CT, abdomen/pelvis — axial plane, index 72 — soft-tissue window (W 400 / L 40) — acquired on Brilliance16
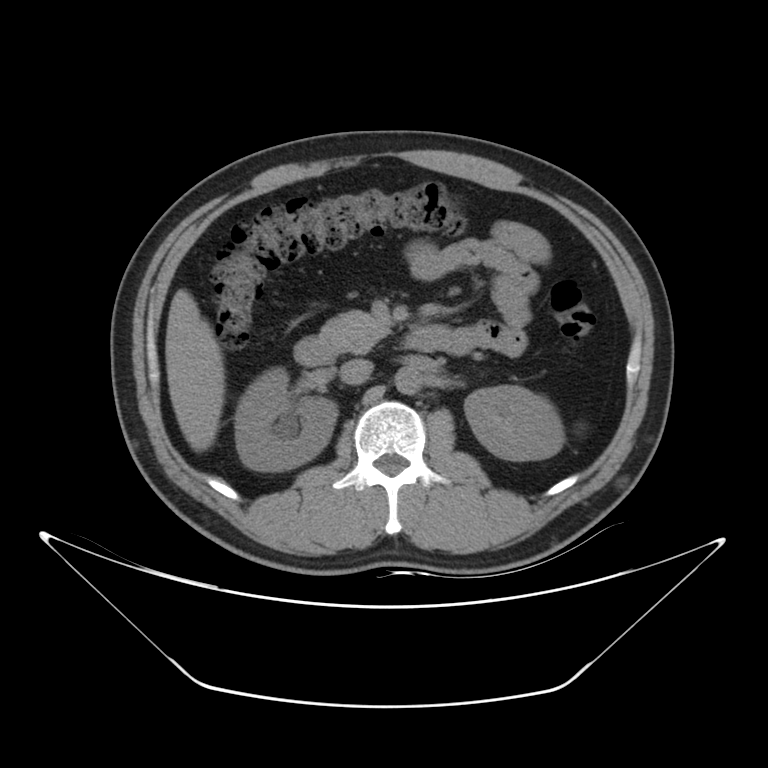
<organs><organ name="right kidney" x1="234" y1="368" x2="337" y2="471"/><organ name="left kidney" x1="464" y1="385" x2="564" y2="461"/><organ name="liver" x1="165" y1="289" x2="224" y2="451"/><organ name="aorta" x1="395" y1="365" x2="422" y2="394"/><organ name="inferior vena cava" x1="340" y1="359" x2="373" y2="385"/><organ name="pancreas" x1="320" y1="310" x2="390" y2="353"/><organ name="duodenum" x1="293" y1="327" x2="439" y2="366"/></organs>